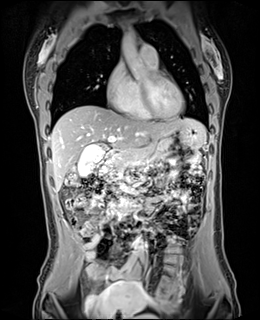
Abdominal MR — coronal view — percentile-normalized — 260x320 px — scan has 13 labeled organs (that count is for the whole scan; organs this slice misses have no box)
{"organs":{"gall bladder":[77,145,104,177],"stomach":[178,125,203,148],"duodenum":[104,152,116,166],"pancreas":[103,147,153,180],"liver":[50,105,205,190],"aorta":[[121,31,151,78],[134,238,143,250]]}}